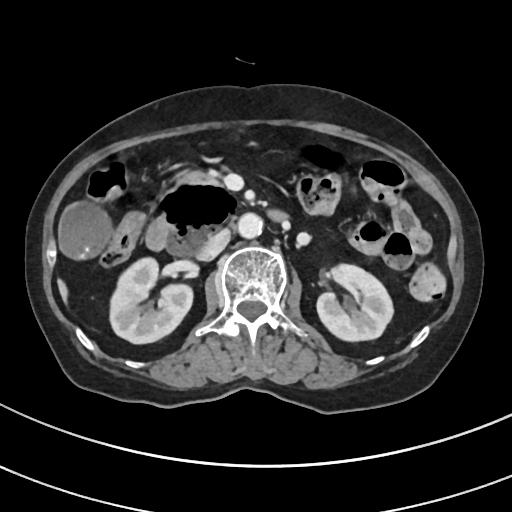
CT abdomen. Axial slice 131/284. 512x512 px
<organs><organ name="right kidney" x1="109" y1="257" x2="192" y2="344"/><organ name="left kidney" x1="317" y1="264" x2="393" y2="341"/><organ name="gall bladder" x1="59" y1="202" x2="111" y2="258"/><organ name="liver" x1="58" y1="280" x2="67" y2="301"/><organ name="aorta" x1="238" y1="213" x2="263" y2="238"/><organ name="inferior vena cava" x1="197" y1="229" x2="230" y2="260"/><organ name="pancreas" x1="179" y1="170" x2="218" y2="185"/><organ name="duodenum" x1="145" y1="182" x2="278" y2="256"/></organs>